Abdominal CT. axial plane, index 68. 44-year-old male patient. scan has 15 labeled organs (a whole-scan count: organs this slice does not pass through have no box)
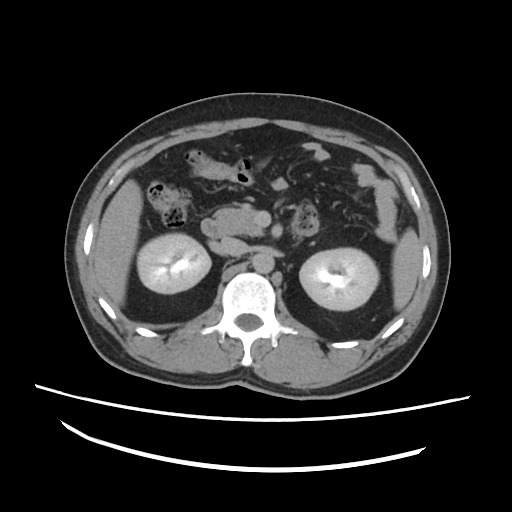

Boxes are (x1, y1, x2, y2) in pixels.
spleen: (393, 229, 421, 318)
right kidney: (138, 232, 211, 293)
left kidney: (299, 248, 378, 310)
liver: (93, 179, 142, 304)
aorta: (253, 252, 275, 274)
inferior vena cava: (220, 236, 248, 254)
pancreas: (212, 206, 282, 235)
duodenum: (202, 219, 220, 237)